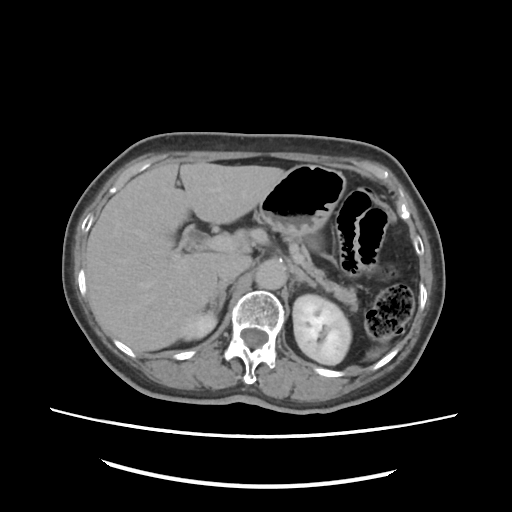

Abdominal CT — axial plane, index 70 — abdomen soft-tissue window — 76-year-old female patient — 15 organs annotated in this scan (counted over the whole 3D scan, not this slice; an organ is boxed only where this slice passes through it)
<organs><organ name="spleen" x1="368" y1="347" x2="384" y2="358"/><organ name="right kidney" x1="184" y1="311" x2="217" y2="341"/><organ name="left kidney" x1="293" y1="294" x2="351" y2="364"/><organ name="gall bladder" x1="185" y1="229" x2="208" y2="249"/><organ name="liver" x1="84" y1="160" x2="284" y2="352"/><organ name="stomach" x1="253" y1="163" x2="348" y2="237"/><organ name="aorta" x1="255" y1="261" x2="286" y2="289"/><organ name="inferior vena cava" x1="216" y1="254" x2="254" y2="279"/><organ name="pancreas" x1="273" y1="228" x2="357" y2="312"/><organ name="right adrenal gland" x1="208" y1="276" x2="235" y2="316"/><organ name="left adrenal gland" x1="295" y1="267" x2="317" y2="287"/></organs>